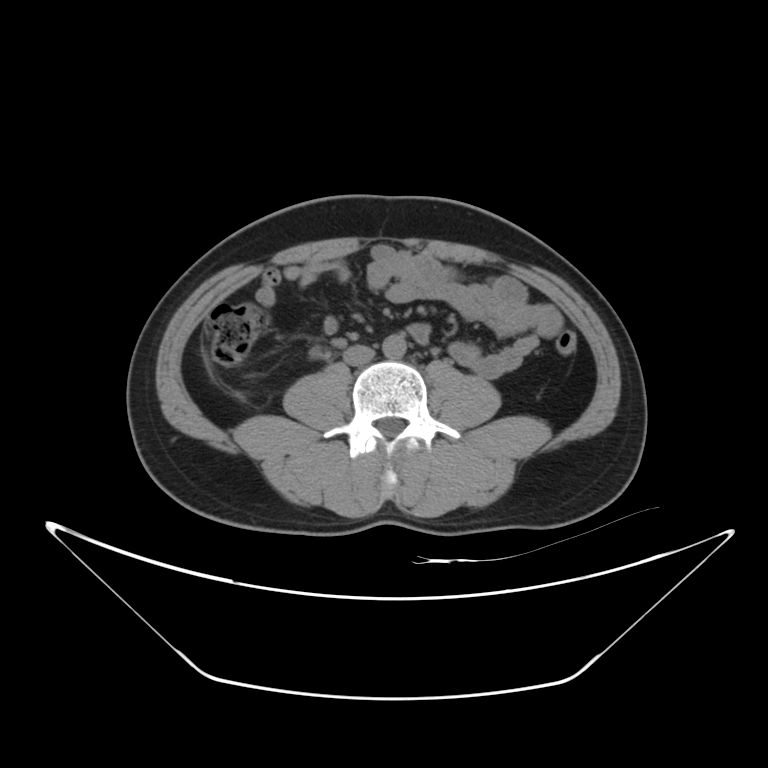

CT, abdomen/pelvis — axial view — 768x768 px
Boxes: x1:y1:x2:y2 in pixels.
inferior vena cava: 343:345:375:366
aorta: 382:334:406:358